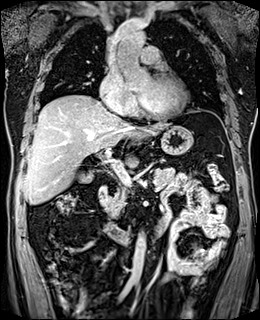
MRI, abdomen · coronal acquisition · 260x320 px
Organ boxes in pixel coordinates; each row gives the top-left (x1, y1) and bottom-right (x2, y2) corners.
| organ | x1 | y1 | x2 | y2 |
|---|---|---|---|---|
| duodenum | 98 | 186 | 161 | 243 |
| aorta | 129 | 233 | 145 | 282 |
| aorta | 117 | 28 | 145 | 48 |
| gall bladder | 79 | 173 | 94 | 183 |
| stomach | 160 | 126 | 192 | 154 |
| pancreas | 101 | 167 | 174 | 217 |
| liver | 24 | 95 | 169 | 204 |